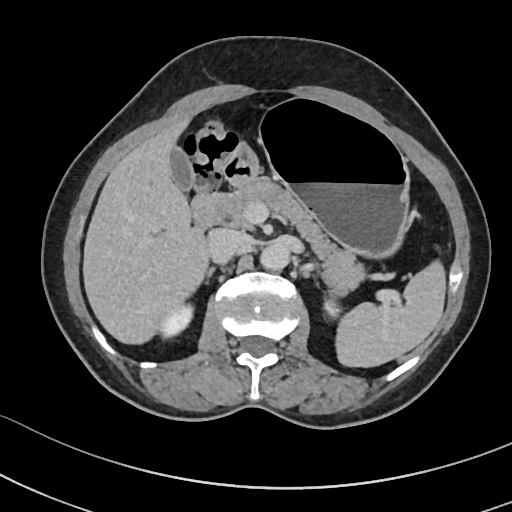

Computed tomography, abdomen — axial view — 512x512 px — SOMATOM Force scanner — scan has 15 labeled organs (a whole-scan count: organs this slice does not pass through have no box)
<organs><organ name="pancreas" x1="203" y1="177" x2="364" y2="293"/><organ name="right kidney" x1="158" y1="304" x2="192" y2="338"/><organ name="inferior vena cava" x1="206" y1="229" x2="248" y2="264"/><organ name="left kidney" x1="326" y1="298" x2="338" y2="318"/><organ name="duodenum" x1="188" y1="160" x2="258" y2="235"/><organ name="stomach" x1="226" y1="97" x2="408" y2="258"/><organ name="spleen" x1="337" y1="263" x2="446" y2="367"/><organ name="right adrenal gland" x1="206" y1="265" x2="214" y2="274"/><organ name="gall bladder" x1="169" y1="145" x2="195" y2="191"/><organ name="aorta" x1="262" y1="242" x2="291" y2="270"/><organ name="liver" x1="83" y1="119" x2="208" y2="342"/></organs>